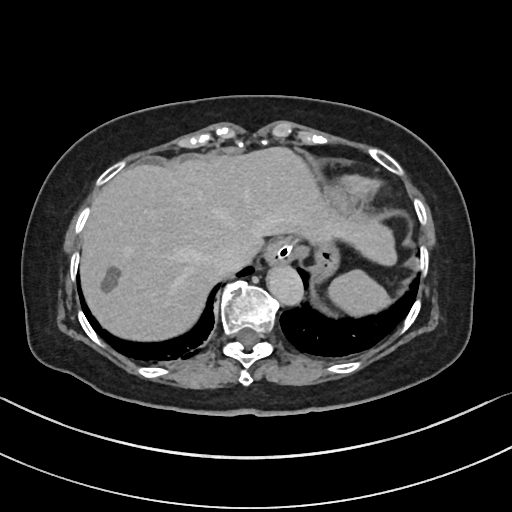
CT abdomen · axial view
Bounding boxes as [x1, y1, x2, y2] in pixel coordinates. 6 labeled organs on this slice — spleen at [329, 269, 392, 315]; esophagus at [266, 236, 299, 261]; liver at [79, 146, 395, 340]; stomach at [276, 234, 337, 283]; aorta at [265, 262, 301, 302]; inferior vena cava at [213, 244, 244, 272].